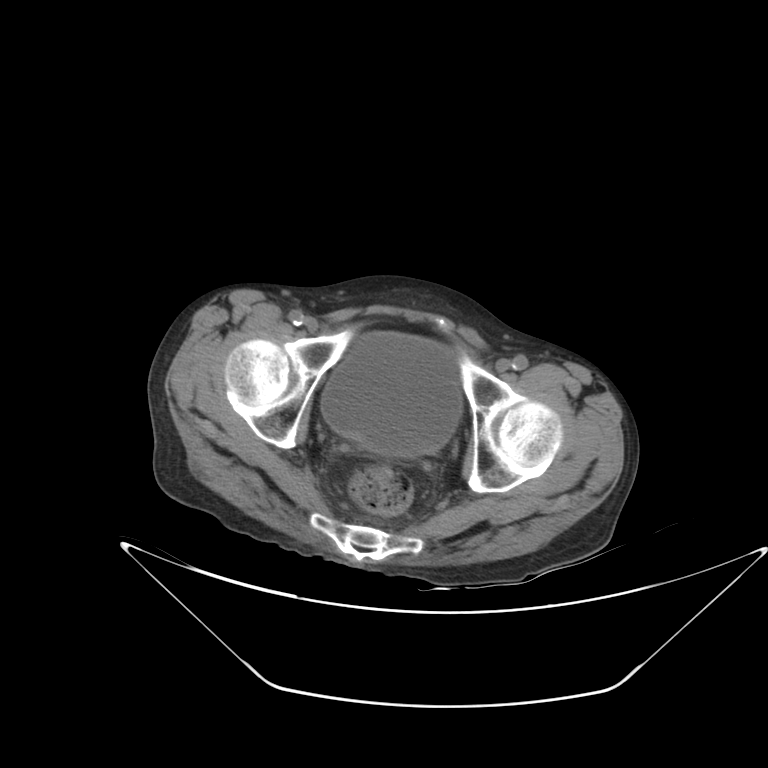 Abdominal CT. axial plane, index 17
Bounding boxes as [x1, y1, x2, y2] in pixel coordinates.
bladder: [321, 332, 461, 455]